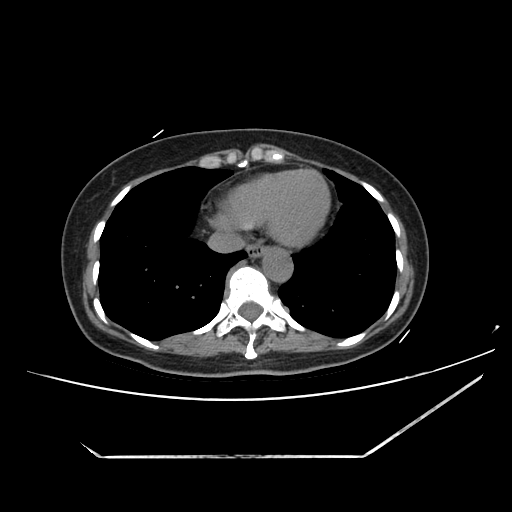 Lower-chest slice from an abdominal CT, just above the liver and spleen; axial plane, index 135; W/L 400/40 HU
The heart and lungs are never labeled in this dataset, so they have no box on this slice. Each box given as x1,y1,x2,y2. 3 labeled organs on this slice — esophagus at x1=246, y1=243, x2=265, y2=259; aorta at x1=263, y1=250, x2=293, y2=284; inferior vena cava at x1=208, y1=230, x2=247, y2=253.